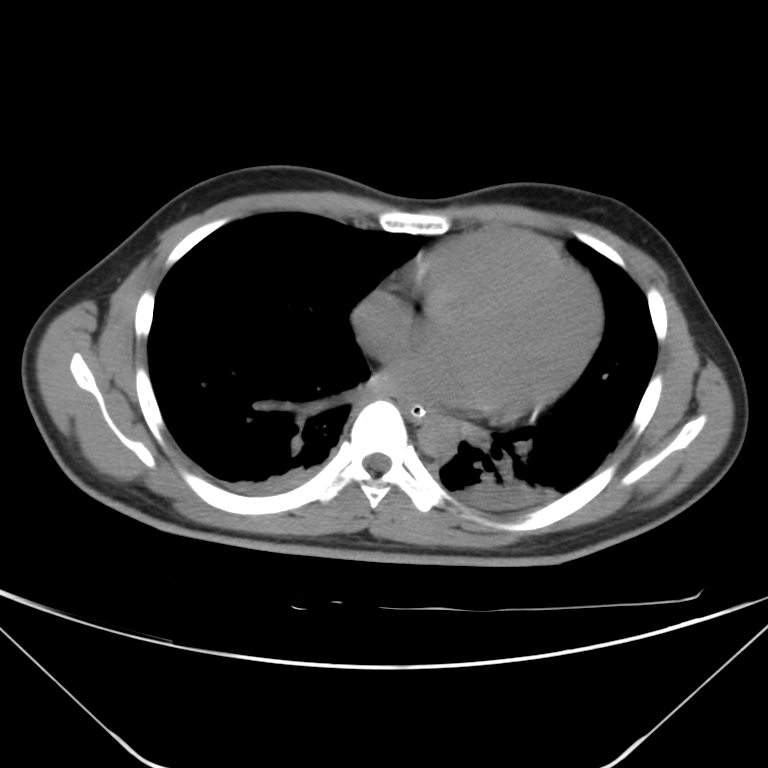

Abdominal CT; this slice is in the lower chest, just above the liver. axial view. soft-tissue window, W/L 400/40. 24-year-old male patient. Brilliance16 scanner
The heart and lungs are never labeled in this dataset, so they have no box on this slice.
One row per box, in pixels: columns x1 and y1 give the top-left corner, x2 and y2 the bottom-right.
| organ | x1 | y1 | x2 | y2 |
|---|---|---|---|---|
| esophagus | 399 | 400 | 433 | 422 |
| aorta | 418 | 415 | 458 | 459 |